Abdominal CT; axial view
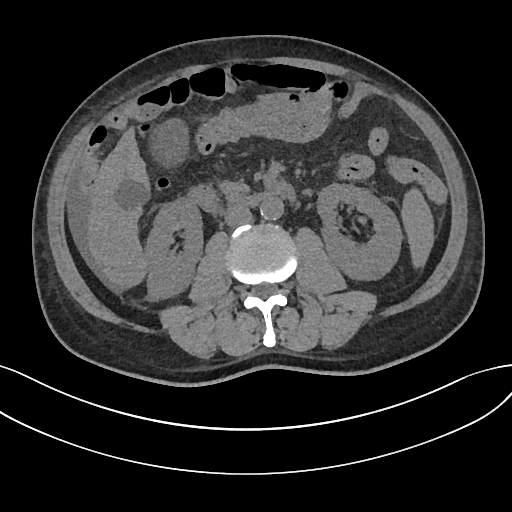
<organs><organ name="spleen" x1="402" y1="189" x2="432" y2="266"/><organ name="right kidney" x1="145" y1="198" x2="202" y2="297"/><organ name="left kidney" x1="317" y1="183" x2="401" y2="278"/><organ name="gall bladder" x1="155" y1="121" x2="185" y2="161"/><organ name="liver" x1="87" y1="129" x2="148" y2="287"/><organ name="aorta" x1="260" y1="196" x2="283" y2="220"/><organ name="inferior vena cava" x1="224" y1="204" x2="252" y2="227"/><organ name="pancreas" x1="222" y1="182" x2="242" y2="192"/><organ name="duodenum" x1="188" y1="182" x2="296" y2="213"/></organs>